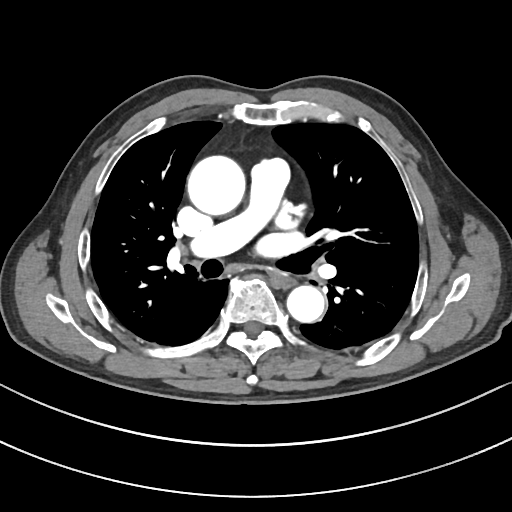 Chest-level slice from an abdominal CT that extends up into the chest — Axial slice 223/280 — soft-tissue window — SOMATOM Force scanner
At this level of the chest no structure but the esophagus and the aorta has a label in this dataset, and those two are boxed only where they are labeled.
<organs><organ name="esophagus" x1="274" y1="274" x2="294" y2="287"/><organ name="aorta" x1="187" y1="156" x2="245" y2="215"/><organ name="aorta" x1="287" y1="285" x2="324" y2="322"/></organs>